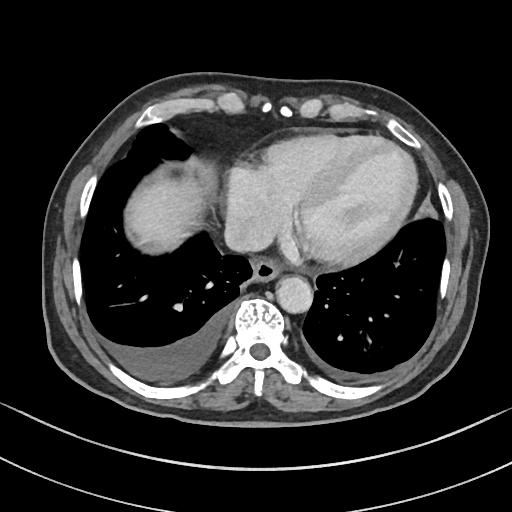
Computed tomography, abdomen. Axial slice 214/221. abdomen soft-tissue window
Organ boxes in pixel coordinates; each row gives the top-left (x1, y1) and bottom-right (x2, y2) corners.
| organ | x1 | y1 | x2 | y2 |
|---|---|---|---|---|
| esophagus | 252 | 261 | 280 | 283 |
| liver | 131 | 179 | 202 | 244 |
| aorta | 276 | 277 | 313 | 314 |
| inferior vena cava | 224 | 219 | 270 | 251 |